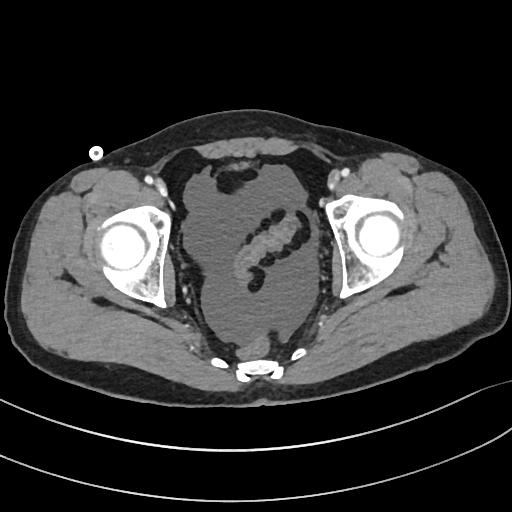

CT, abdomen/pelvis — axial view — SOMATOM Force scanner — scan has 15 labeled organs (a whole-scan count: organs this slice does not pass through have no box)
Coordinates as <box>x1,y1,x2,y2</box> in pixels.
bladder: <box>232,161,247,169</box>